CT, abdomen/pelvis. axial view
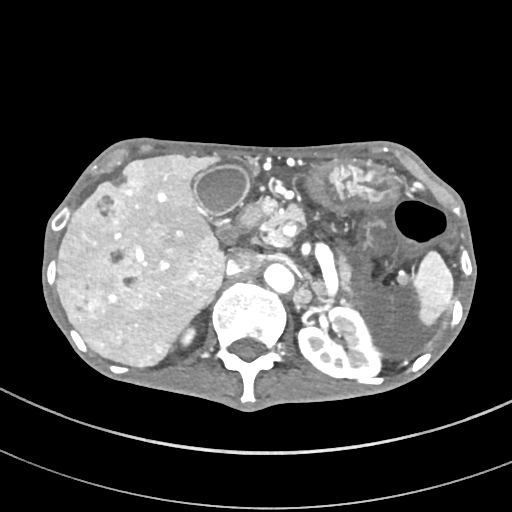

Boxes are (x1, y1, x2, y2) in pixels.
Organ bounding boxes:
- aorta: (264, 263, 294, 292)
- inferior vena cava: (226, 250, 263, 275)
- duodenum: (236, 202, 261, 233)
- stomach: (307, 160, 401, 210)
- pancreas: (259, 198, 351, 291)
- left adrenal gland: (293, 289, 312, 304)
- spleen: (413, 251, 453, 325)
- gall bladder: (193, 166, 248, 244)
- liver: (57, 155, 224, 367)
- left kidney: (298, 306, 380, 380)
- right kidney: (181, 328, 195, 345)
- right adrenal gland: (202, 294, 214, 309)